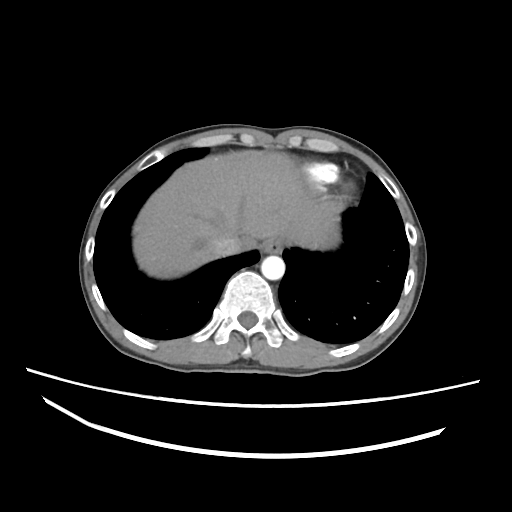

Computed tomography, abdomen · axial view · 512x512 px
Boxes are (x1, y1, x2, y2) in pixels. 4 labeled organs on this slice — esophagus at (262, 238, 283, 253); liver at (133, 150, 332, 278); aorta at (261, 255, 284, 279); inferior vena cava at (209, 234, 240, 257).